Abdominal CT. axial view. soft-tissue window (W 400 / L 40). 512x512 px
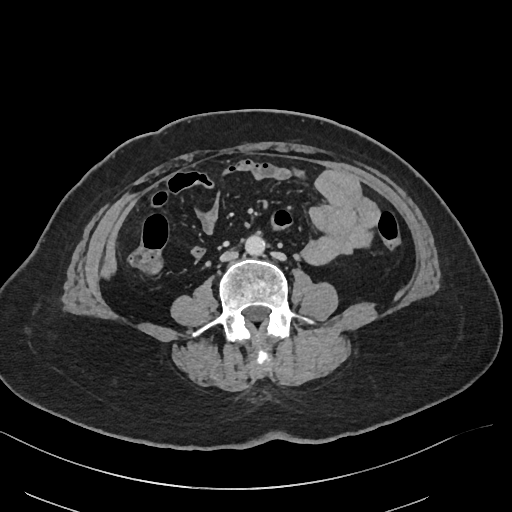

Bounding boxes in pixels, one row per box: x1, y1 is the top-left corner and x2, y2 the bottom-right.
| organ | x1 | y1 | x2 | y2 |
|---|---|---|---|---|
| aorta | 245 | 235 | 265 | 255 |
| inferior vena cava | 220 | 250 | 238 | 261 |